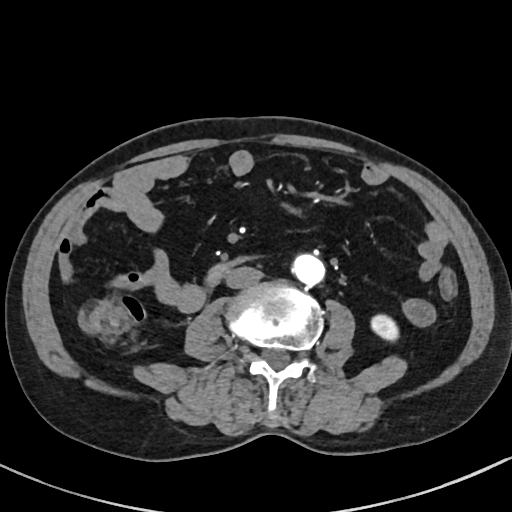
Computed tomography, abdomen. axial view. 512x512 px
{"organs":{"left kidney":[370,314,398,341],"aorta":[290,252,323,284],"inferior vena cava":[225,265,262,288],"duodenum":[207,256,250,287]}}